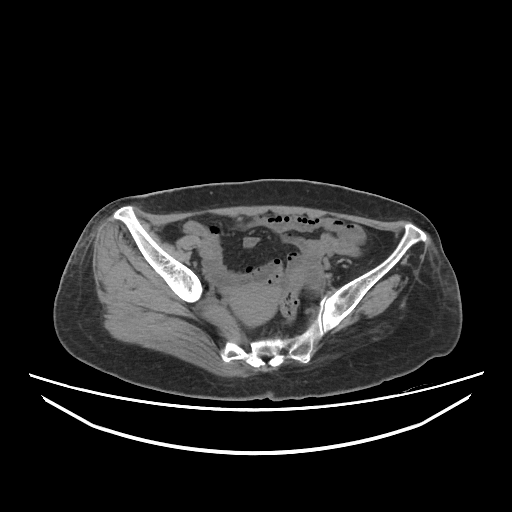
Computed tomography, abdomen. Axial slice 27/97. soft-tissue window (W 400 / L 40)
Each box given as x1,y1,x2,y2.
Organ bounding boxes:
- prostate/uterus: x1=229, y1=283, x2=279, y2=326